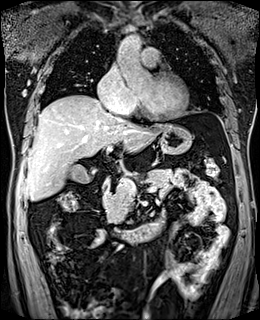
Abdominal MRI · coronal view · 260x320 px · scan has 13 labeled organs (counted over the whole 3D scan, not this slice; an organ is boxed only where this slice passes through it)
<organs><organ name="gall bladder" x1="68" y1="164" x2="92" y2="183"/><organ name="liver" x1="25" y1="95" x2="167" y2="200"/><organ name="stomach" x1="104" y1="126" x2="192" y2="180"/><organ name="aorta" x1="118" y1="35" x2="142" y2="48"/><organ name="pancreas" x1="103" y1="169" x2="171" y2="223"/><organ name="duodenum" x1="102" y1="181" x2="163" y2="243"/></organs>